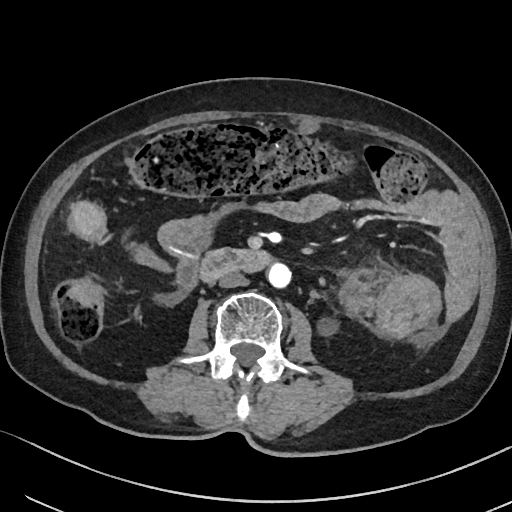
Abdominal CT; axial plane, index 134; W/L 400/40 HU; 512x512 px
Boxes: x1 y1 x2 y2 (pixel coords, space-separated).
Organ bounding boxes:
- duodenum: 201 249 270 280
- aorta: 268 262 290 286
- left kidney: 317 317 338 336
- inferior vena cava: 219 271 246 287